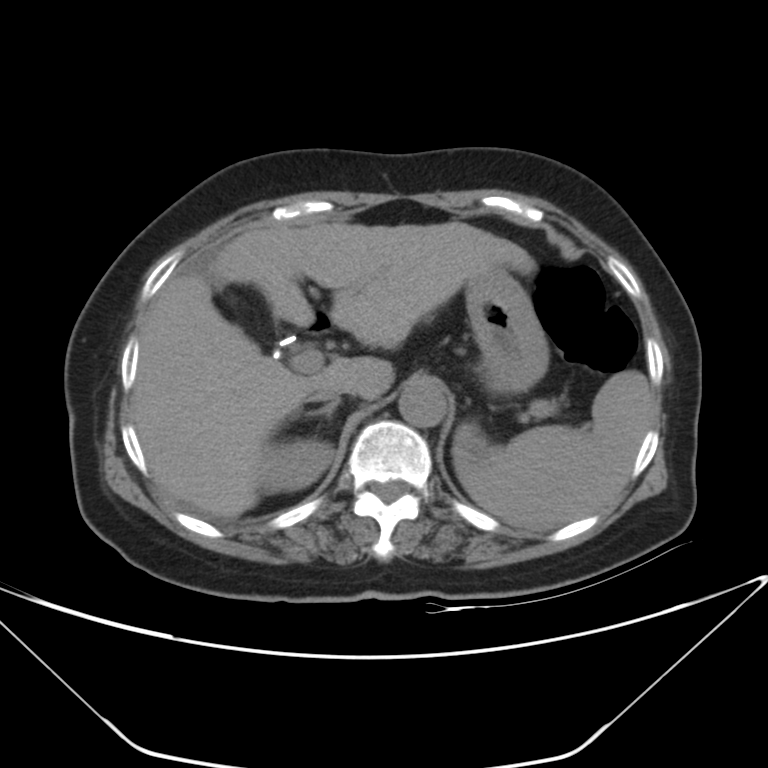 CT abdomen · axial view · 66-year-old female patient
{"organs":{"duodenum":[309,317,329,333],"right adrenal gland":[305,399,340,419],"inferior vena cava":[311,383,345,401],"spleen":[452,370,651,531],"aorta":[399,381,446,427],"liver":[132,222,535,517],"stomach":[465,267,549,390],"right kidney":[260,438,333,492]}}